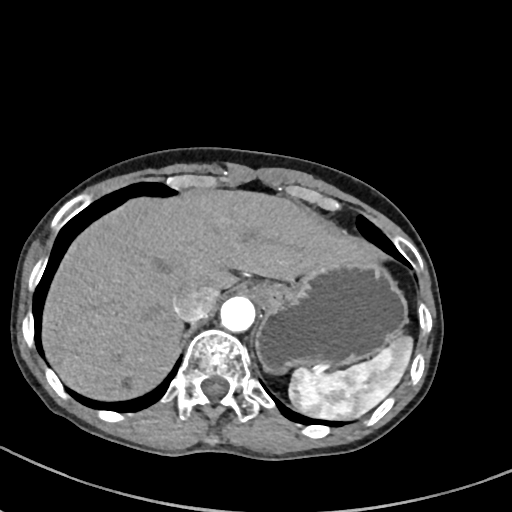

CT, abdomen/pelvis — axial view — soft-tissue window — scan has 15 labeled organs (a whole-scan count: organs this slice does not pass through have no box)
Boxes: x1:y1:x2:y2 in pixels.
Organ bounding boxes:
- spleen: 289:335:414:419
- liver: 41:189:384:402
- stomach: 257:260:406:371
- aorta: 220:295:255:331
- inferior vena cava: 175:285:218:321